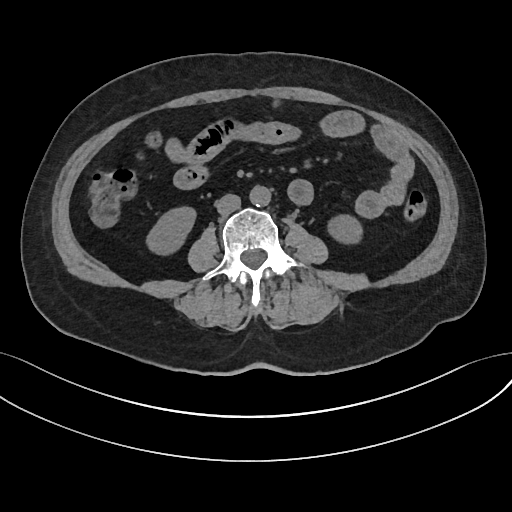
Computed tomography, abdomen; axial plane, index 101; W/L 400/40 HU; 512x512 px
<organs><organ name="right kidney" x1="146" y1="207" x2="195" y2="254"/><organ name="left kidney" x1="328" y1="215" x2="362" y2="243"/><organ name="aorta" x1="249" y1="185" x2="271" y2="206"/><organ name="inferior vena cava" x1="215" y1="194" x2="240" y2="214"/></organs>